Lower-chest slice from an abdominal CT, just above the liver and spleen. Axial slice 77/78. 15 organs annotated in this scan (counted over the whole 3D scan, not this slice; an organ is boxed only where this slice passes through it)
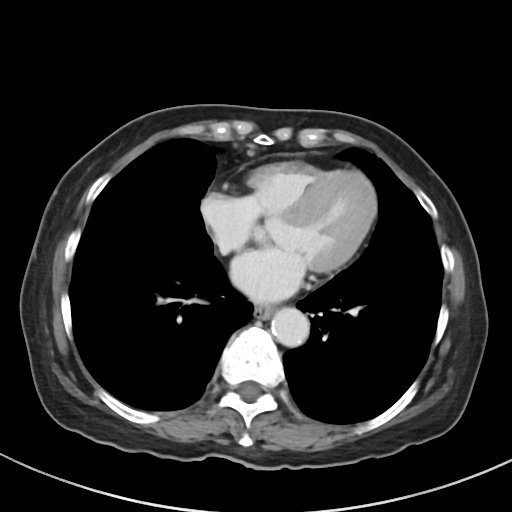
The heart and lungs are never labeled in this dataset, so they have no box on this slice. Boxes: x1:y1:x2:y2 in pixels. Labeled organs on this slice: esophagus at 254:304:273:319, aorta at 271:307:309:346.